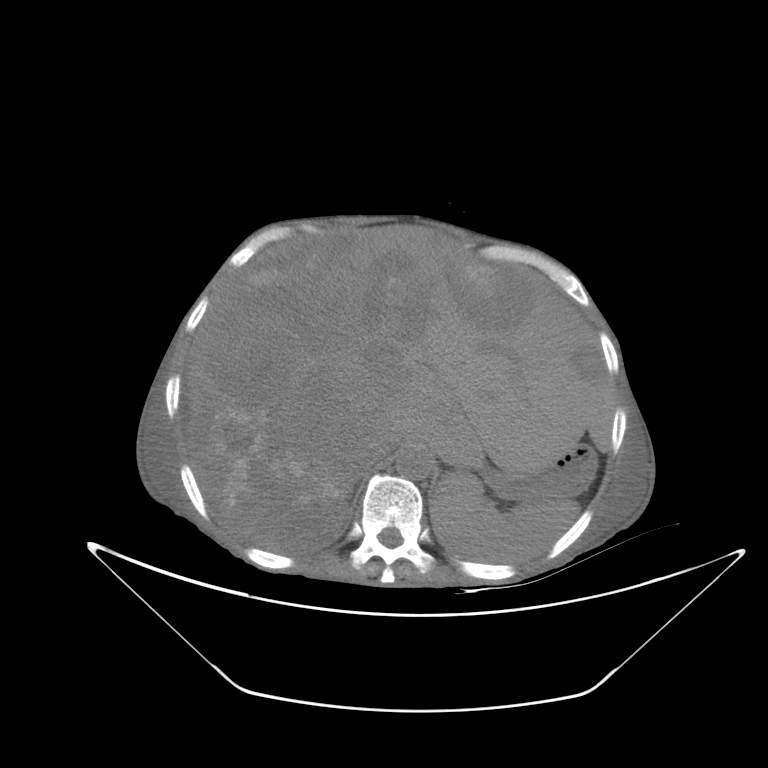

Abdominal CT; axial view; abdomen soft-tissue window; acquired on Brilliance16; scan has 15 labeled organs (that count is for the whole scan; organs this slice misses have no box)
{"organs":{"liver":[188,229,614,553],"aorta":[395,449,432,480],"spleen":[430,468,578,562],"inferior vena cava":[365,434,408,467],"stomach":[483,446,594,496]}}